Computed tomography, abdomen — Axial slice 130/192 — abdomen soft-tissue window — 512x512 px
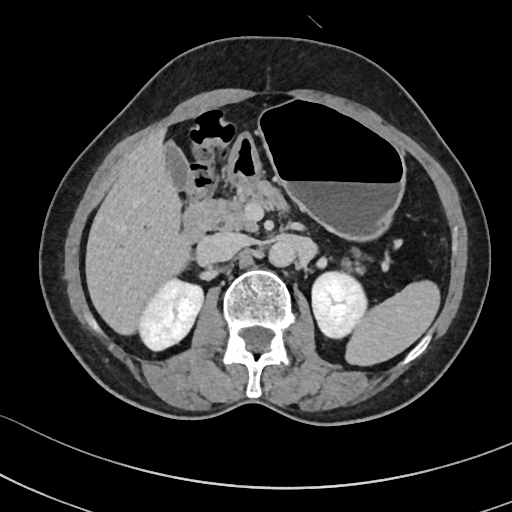
One row per box, in pixels: columns x1 and y1 give the top-left corner, x2 and y2 the bottom-right.
| organ | x1 | y1 | x2 | y2 |
|---|---|---|---|---|
| spleen | 347 | 283 | 438 | 365 |
| right kidney | 139 | 277 | 203 | 350 |
| left kidney | 311 | 269 | 367 | 338 |
| gall bladder | 165 | 142 | 187 | 189 |
| liver | 86 | 136 | 190 | 334 |
| stomach | 227 | 97 | 404 | 242 |
| aorta | 271 | 239 | 296 | 265 |
| inferior vena cava | 205 | 232 | 248 | 261 |
| pancreas | 195 | 181 | 286 | 231 |
| duodenum | 179 | 205 | 210 | 245 |